CT abdomen. axial view. acquired on Brilliance16
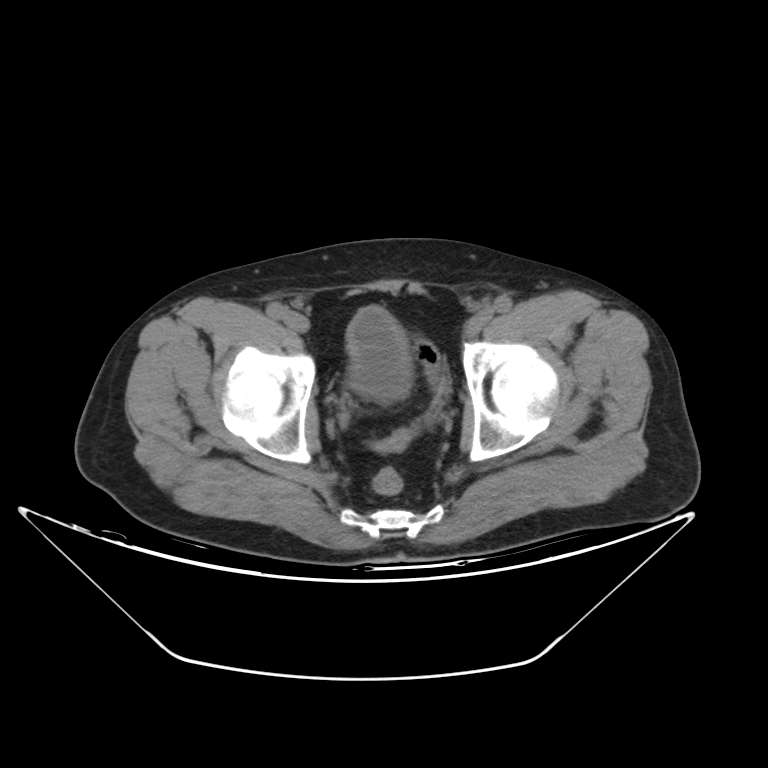

{"organs":{"bladder":[347,304,411,404]}}